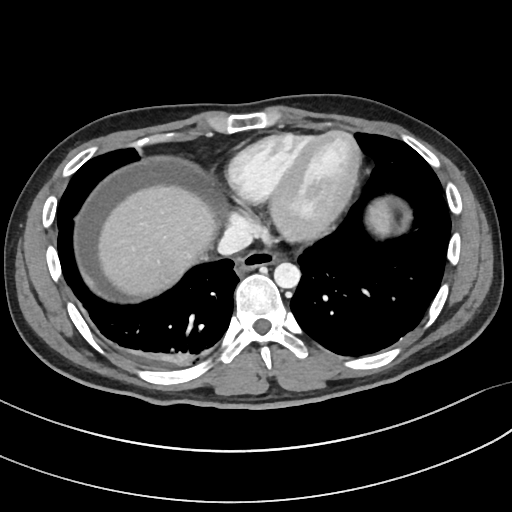

Computed tomography, abdomen — axial view — SOMATOM Force scanner — 15 organs annotated in this scan (a whole-scan count: organs this slice does not pass through have no box)
Coordinates as <box>x1,y1,x2,y2</box> in pixels.
esophagus: <box>235,253,277,274</box>
liver: <box>99,183,389,295</box>
aorta: <box>274,262,300,288</box>
inferior vena cava: <box>216,225,253,254</box>